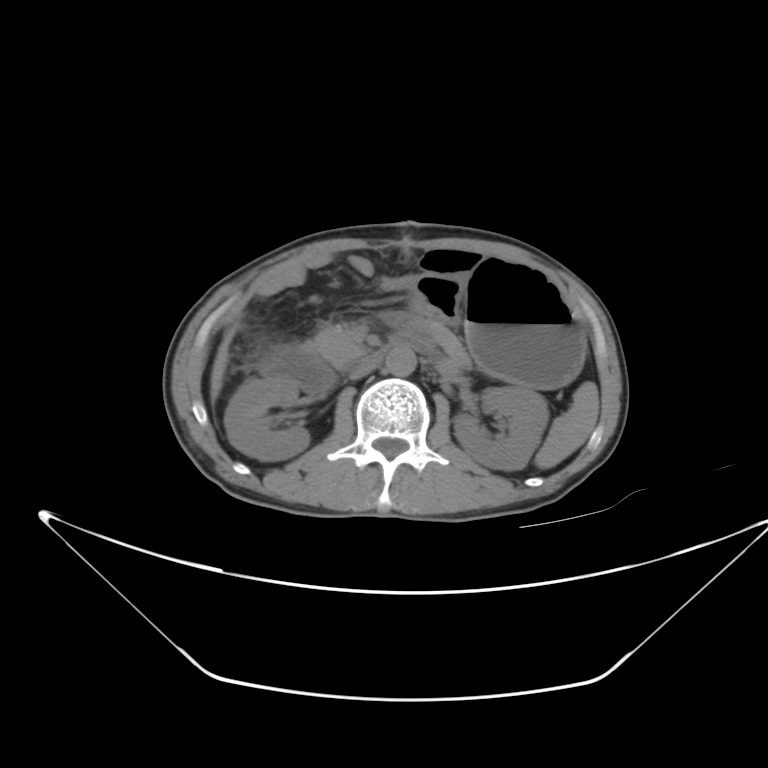 CT, abdomen/pelvis. axial plane, index 57. 768x768 px. 51-year-old male patient
Coordinates as <box>x1,y1,x2,y2</box> in pixels.
Organ bounding boxes:
- spleen: <box>537,382,598,469</box>
- right kidney: <box>223,378,310,461</box>
- left kidney: <box>453,386,546,470</box>
- liver: <box>208,337,229,400</box>
- stomach: <box>412,260,582,389</box>
- aorta: <box>386,348,417,376</box>
- inferior vena cava: <box>350,348,383,378</box>
- pancreas: <box>314,326,365,369</box>
- duodenum: <box>260,333,438,394</box>